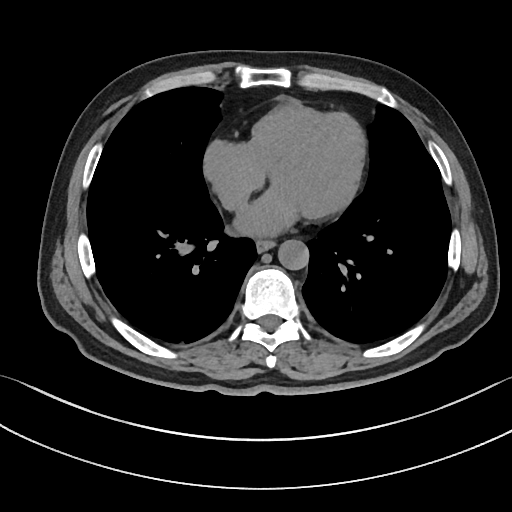

CT of the abdomen reaching into the lower chest, slice just above the liver and spleen · axial view · W/L 400/40 HU · 512x512 px · SOMATOM Force scanner
No part of the heart or lungs is labeled in this dataset, so neither has a box here.
Organ boxes in pixel coordinates; each row gives the top-left (x1, y1) and bottom-right (x2, y2) corners.
| organ | x1 | y1 | x2 | y2 |
|---|---|---|---|---|
| esophagus | 257 | 239 | 275 | 251 |
| aorta | 277 | 239 | 308 | 269 |